CT abdomen. axial view. W/L 400/40 HU
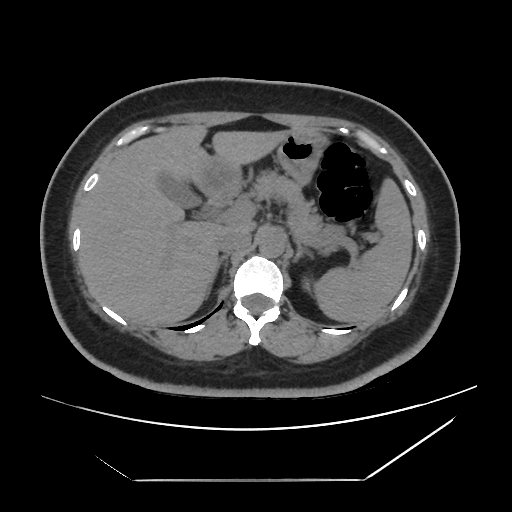
{"organs":{"right adrenal gland":[208,254,228,292],"pancreas":[251,171,346,250],"aorta":[258,231,284,257],"stomach":[195,130,327,197],"left kidney":[303,279,309,289],"duodenum":[208,195,233,209],"spleen":[314,178,412,322],"inferior vena cava":[217,230,251,253],"liver":[79,125,292,325],"left adrenal gland":[293,240,312,262],"gall bladder":[158,172,201,208]}}